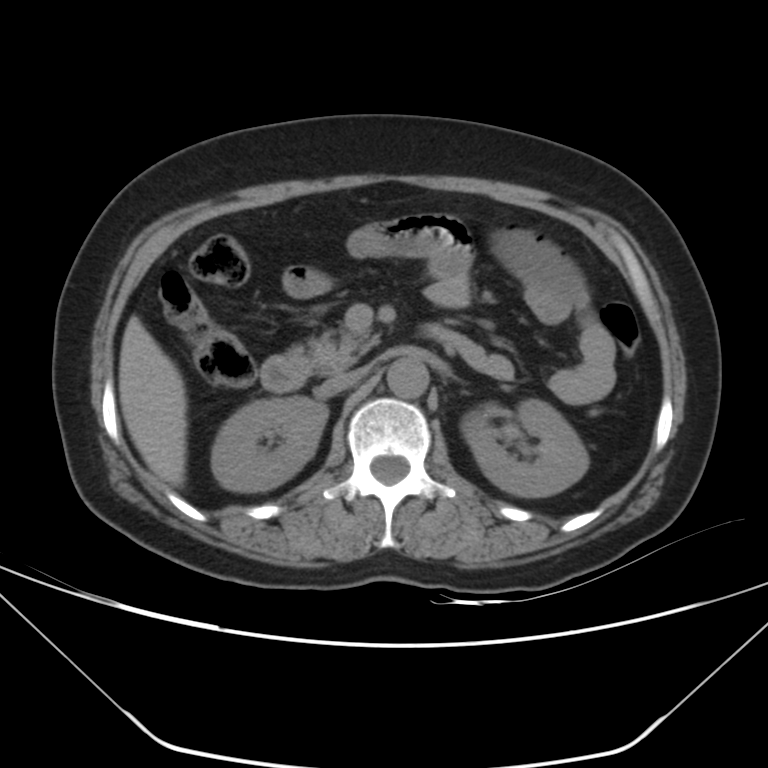 CT abdomen. axial plane, index 56. abdomen soft-tissue window. 40-year-old male patient
Boxes: x1:y1:x2:y2 in pixels.
Organ bounding boxes:
- liver: 118:316:186:486
- pancreas: 296:327:379:374
- left kidney: 460:400:588:497
- inferior vena cava: 321:367:369:394
- right kidney: 211:396:328:491
- aorta: 386:357:428:397
- duodenum: 260:322:464:392